CT, abdomen/pelvis — axial view — abdomen soft-tissue window — scan has 15 labeled organs (counted over the whole 3D scan, not this slice; an organ is boxed only where this slice passes through it)
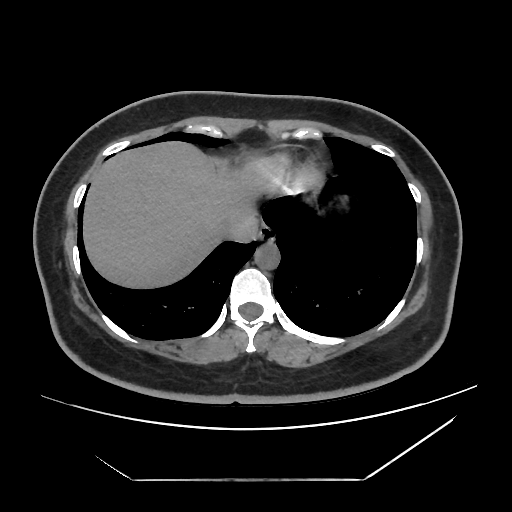
Boxes: x1 y1 x2 y2 (pixel coords, space-separated).
esophagus: 257 226 274 242
liver: 84 143 259 286
aorta: 255 243 279 269
inferior vena cava: 222 214 258 243